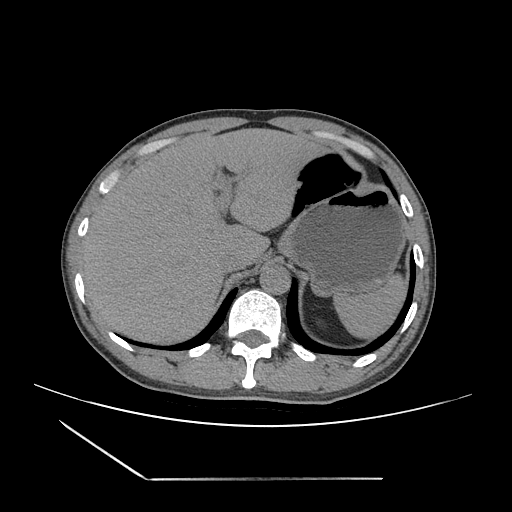

CT abdomen — axial plane, index 148 — SOMATOM Force scanner
{"organs":{"spleen":[332,271,406,339],"liver":[81,128,324,344],"stomach":[280,182,406,295],"aorta":[260,265,290,294],"inferior vena cava":[218,252,247,274]}}